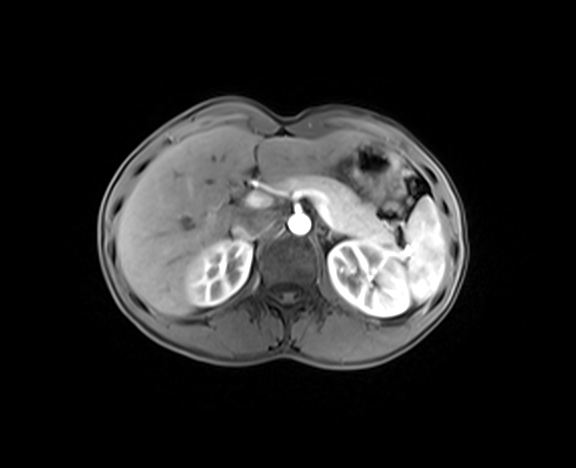 MRI, abdomen · Axial slice 42/72 · percentile-normalized
Boxes: x1:y1:x2:y2 in pixels.
Organ bounding boxes:
- spleen: 404:196:447:302
- right kidney: 185:239:251:306
- left kidney: 328:240:410:316
- liver: 116:125:368:315
- stomach: 330:142:398:203
- aorta: 288:214:310:235
- inferior vena cava: 231:211:272:235
- pancreas: 278:174:394:245